CT of the abdomen extending into the chest, slice through the chest. axial view. soft-tissue window. SOMATOM Force scanner
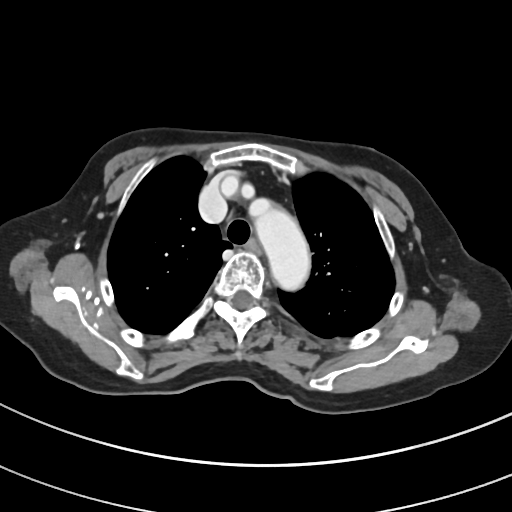 At this level of the chest this dataset labels only the esophagus and the aorta, and each is boxed only where it is labeled; the heart and lungs are never labeled.
{"organs":{"esophagus":[245,241,258,252],"aorta":[247,196,312,294]}}